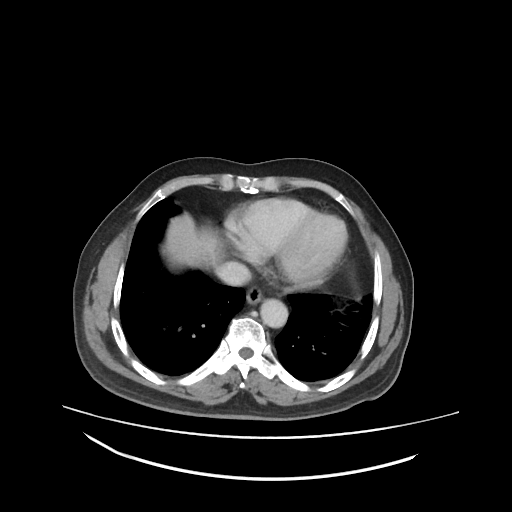 Abdominal CT — axial plane, index 80 — 512x512 px
One row per box, in pixels: columns x1 and y1 give the top-left corner, x2 and y2 the bottom-right.
| organ | x1 | y1 | x2 | y2 |
|---|---|---|---|---|
| aorta | 260 | 298 | 287 | 327 |
| liver | 161 | 211 | 221 | 266 |
| inferior vena cava | 215 | 262 | 249 | 286 |
| esophagus | 245 | 286 | 264 | 304 |